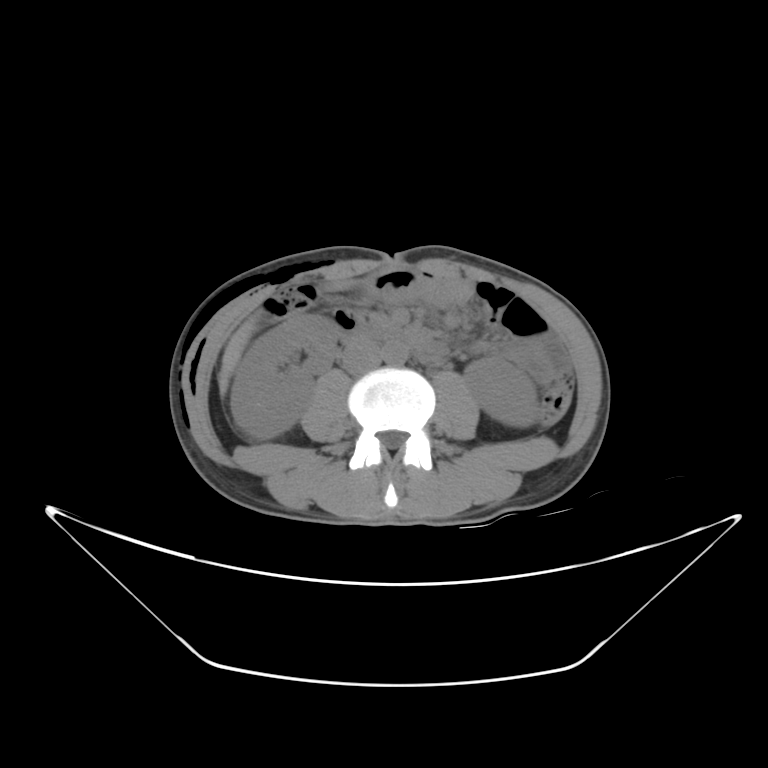
Abdominal CT; axial view
Boxes are (x1, y1, x2, y2) in pixels.
Organ bounding boxes:
- spleen: (480, 407, 534, 424)
- right kidney: (231, 316, 336, 434)
- left kidney: (462, 355, 539, 425)
- gall bladder: (355, 304, 359, 304)
- liver: (217, 312, 257, 395)
- stomach: (364, 268, 470, 308)
- aorta: (380, 342, 406, 366)
- inferior vena cava: (343, 341, 379, 373)
- pancreas: (371, 310, 404, 336)
- duodenum: (325, 307, 450, 362)